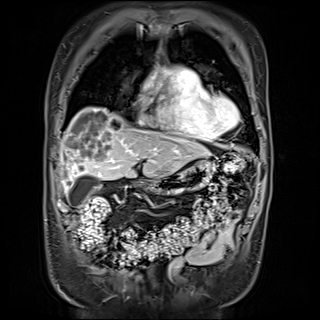 Abdominal MRI — coronal view — 1st–99th percentile window
Bounding boxes in pixels, one row per box: x1, y1 is the top-left corner and x2, y2 the bottom-right.
| organ | x1 | y1 | x2 | y2 |
|---|---|---|---|---|
| liver | 60 | 108 | 210 | 192 |
| stomach | 137 | 159 | 215 | 194 |
| gall bladder | 68 | 174 | 100 | 205 |